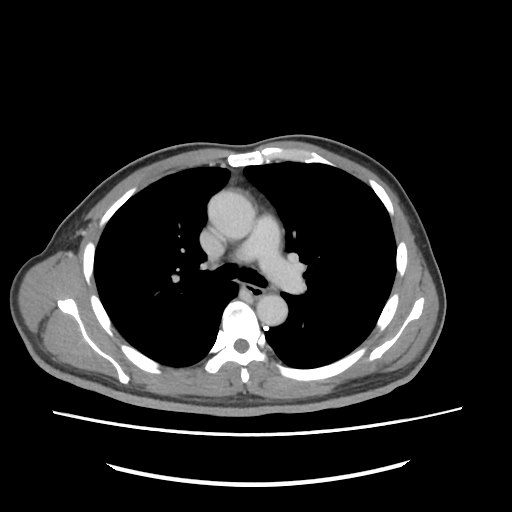

Chest-level slice from an abdominal CT that extends up into the chest; axial view; soft-tissue window (W 400 / L 40); 512x512 px
At this level of the chest this dataset labels only the esophagus and the aorta, and each is boxed only where it is labeled; the heart and lungs are never labeled.
Bounding boxes in pixels, one row per box: x1, y1 is the top-left corner and x2, y2 the bottom-right.
| organ | x1 | y1 | x2 | y2 |
|---|---|---|---|---|
| esophagus | 243 | 282 | 263 | 296 |
| aorta | 208 | 190 | 255 | 239 |
| aorta | 256 | 294 | 287 | 325 |